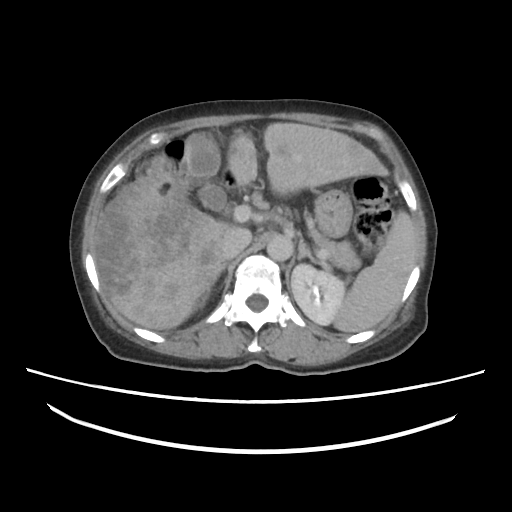 Computed tomography, abdomen — axial view — soft-tissue window (W 400 / L 40) — 512x512 px
Coordinates as <box>x1,y1,x2,y2</box> in pixels.
right adrenal gland: <box>211,264,226,283</box>
pancreas: <box>266,207,359,268</box>
right kidney: <box>195,288,210,306</box>
aorta: <box>266,234,292,258</box>
left kidney: <box>291,265,346,325</box>
inferior vena cava: <box>222,229,250,258</box>
liver: <box>94,123,388,329</box>
gall bladder: <box>189,134,225,208</box>
duodenum: <box>220,168,237,186</box>
left adrenal gland: <box>297,242,317,262</box>
stomach: <box>314,188,353,237</box>
spleen: <box>331,211,416,331</box>